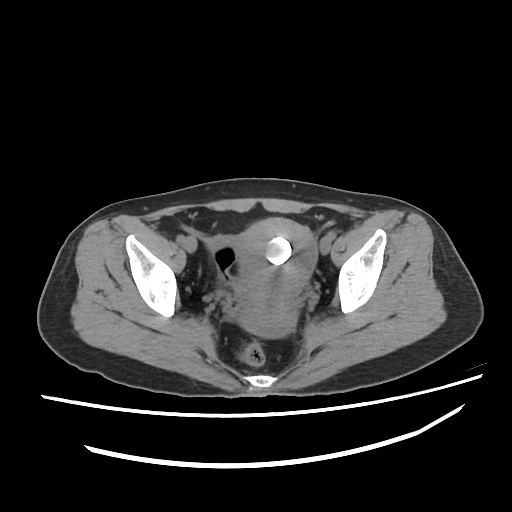

CT, abdomen/pelvis — axial view — W/L 400/40 HU — 43-year-old female patient
Each box given as x1,y1,x2,y2.
Organ bounding boxes:
- prostate/uterus: x1=237, y1=218, x2=317, y2=337